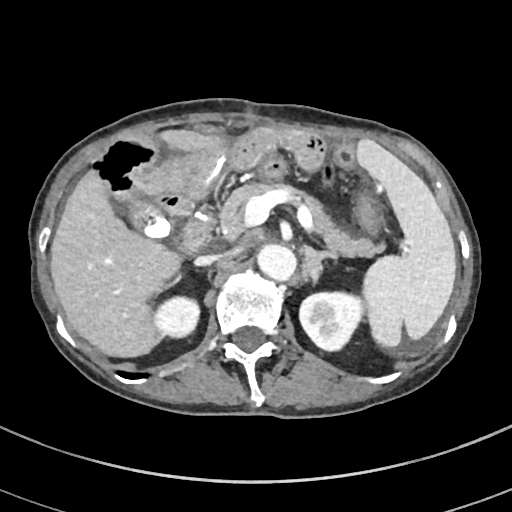 Computed tomography, abdomen. axial view. soft-tissue window. 512x512 px. acquired on SOMATOM Force
Organ boxes in pixel coordinates; each row gives the top-left (x1, y1) and bottom-right (x2, y2) corners.
| organ | x1 | y1 | x2 | y2 |
|---|---|---|---|---|
| spleen | 356 | 139 | 456 | 347 |
| right kidney | 151 | 295 | 199 | 338 |
| left kidney | 299 | 291 | 363 | 350 |
| gall bladder | 128 | 200 | 168 | 240 |
| liver | 50 | 129 | 225 | 357 |
| aorta | 257 | 244 | 295 | 280 |
| inferior vena cava | 196 | 254 | 227 | 265 |
| pancreas | 219 | 183 | 383 | 257 |
| left adrenal gland | 303 | 246 | 337 | 282 |
| duodenum | 180 | 217 | 212 | 254 |